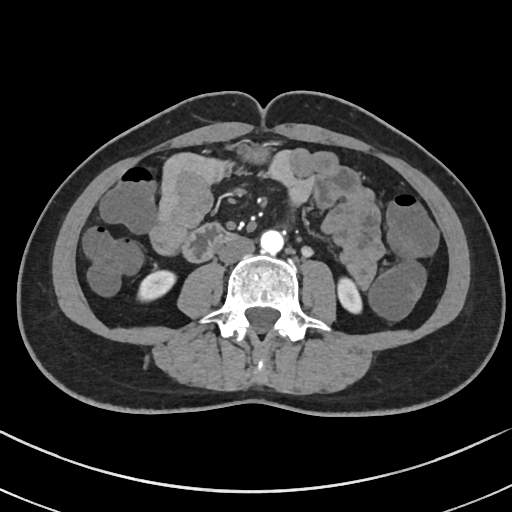

Abdominal CT · axial view
Bounding boxes as [x1, y1, x2, y2] in pixel coordinates.
Organ bounding boxes:
- right kidney: [138, 272, 173, 298]
- left kidney: [338, 279, 364, 313]
- stomach: [245, 147, 264, 159]
- aorta: [260, 230, 283, 253]
- inferior vena cava: [219, 236, 255, 264]
- duodenum: [183, 224, 234, 261]